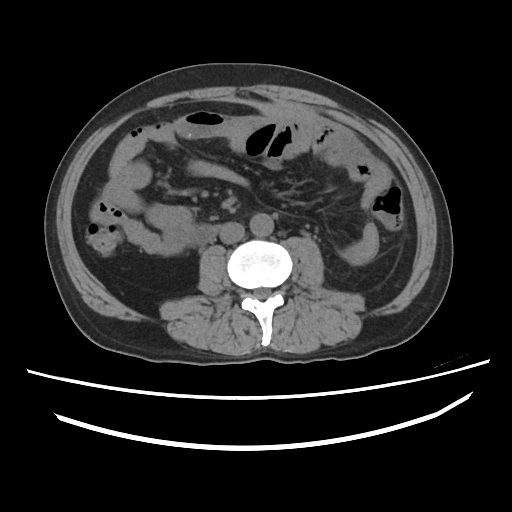

Computed tomography, abdomen — axial view — abdomen soft-tissue window — 512x512 px
Boxes: x1:y1:x2:y2 in pixels. Labeled organs on this slice: aorta at 250:213:273:236, inferior vena cava at 219:222:244:243, duodenum at 192:225:219:244.